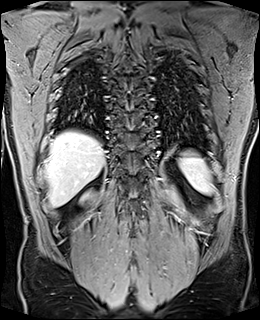

Magnetic resonance imaging, abdomen; Coronal slice 21/144; 260x320 px
<organs><organ name="spleen" x1="178" y1="151" x2="212" y2="193"/><organ name="right kidney" x1="82" y1="195" x2="87" y2="199"/><organ name="liver" x1="45" y1="131" x2="105" y2="206"/></organs>